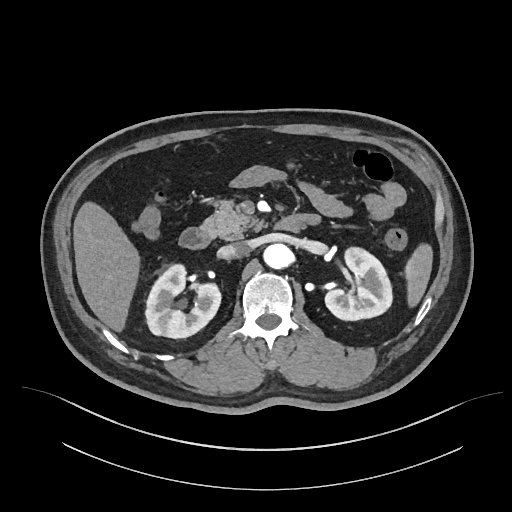 Computed tomography, abdomen · axial plane, index 167 · scan has 15 labeled organs (counted over the whole 3D scan, not this slice; an organ is boxed only where this slice passes through it)
{"organs":{"spleen":[406,246,431,303],"right kidney":[144,262,220,338],"left kidney":[326,246,392,320],"liver":[73,201,137,330],"aorta":[263,243,291,269],"inferior vena cava":[218,241,250,258],"pancreas":[199,200,261,240],"duodenum":[179,215,318,249]}}